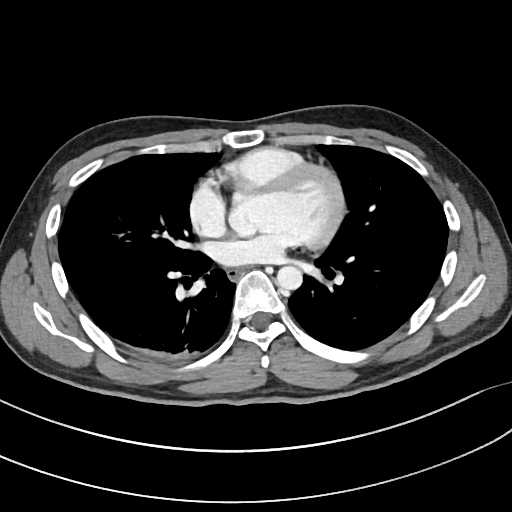
Lower-chest slice from an abdominal CT, just above the liver and spleen; Axial slice 249/251; 512x512 px
Of the structures in the chest, this dataset labels only the esophagus, the aorta and the inferior vena cava; the heart and lungs have no label.
Each box given as x1,y1,x2,y2.
esophagus: x1=228, y1=268, x2=244, y2=281
aorta: x1=276, y1=265, x2=302, y2=290